Abdominal CT. axial view
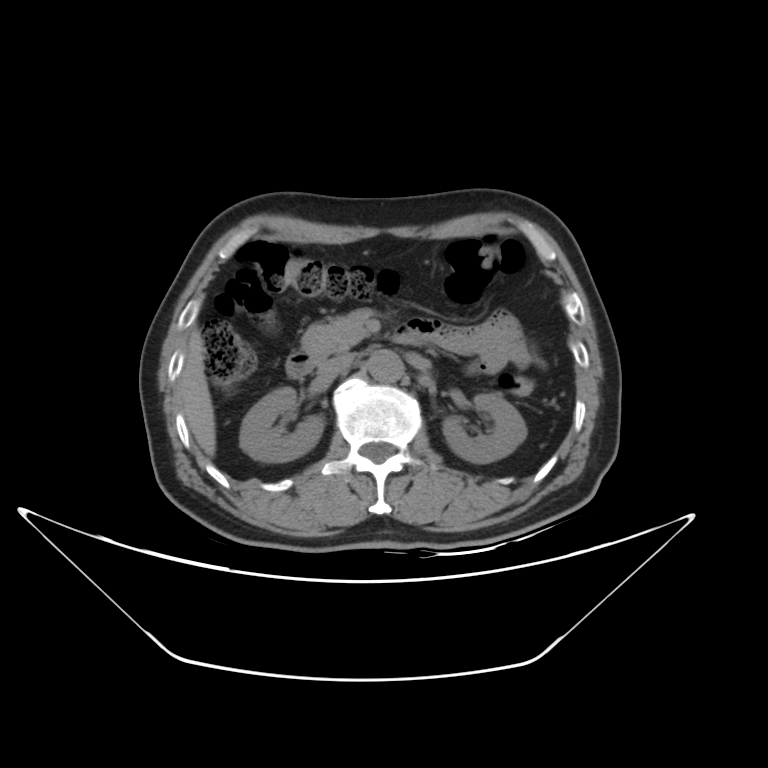

{"organs":{"right kidney":[240,388,326,461],"left kidney":[442,391,526,461],"liver":[180,323,215,456],"aorta":[367,349,403,381],"inferior vena cava":[321,352,356,374],"pancreas":[304,308,376,361],"duodenum":[287,353,315,377]}}